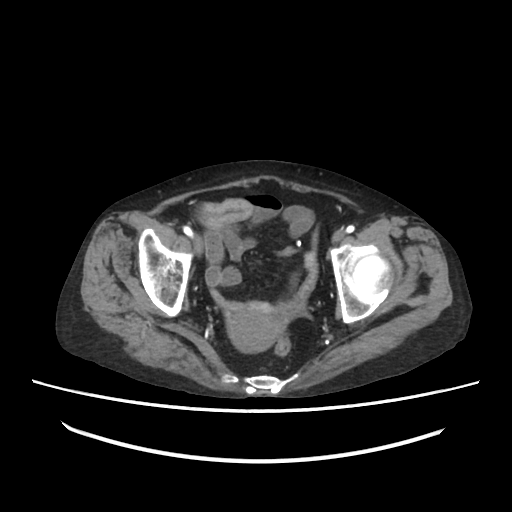

Abdominal CT · axial plane, index 20 · 512x512 px · 61-year-old female patient
Boxes: x1:y1:x2:y2 in pixels.
Organ bounding boxes:
- prostate/uterus: 226:303:285:351